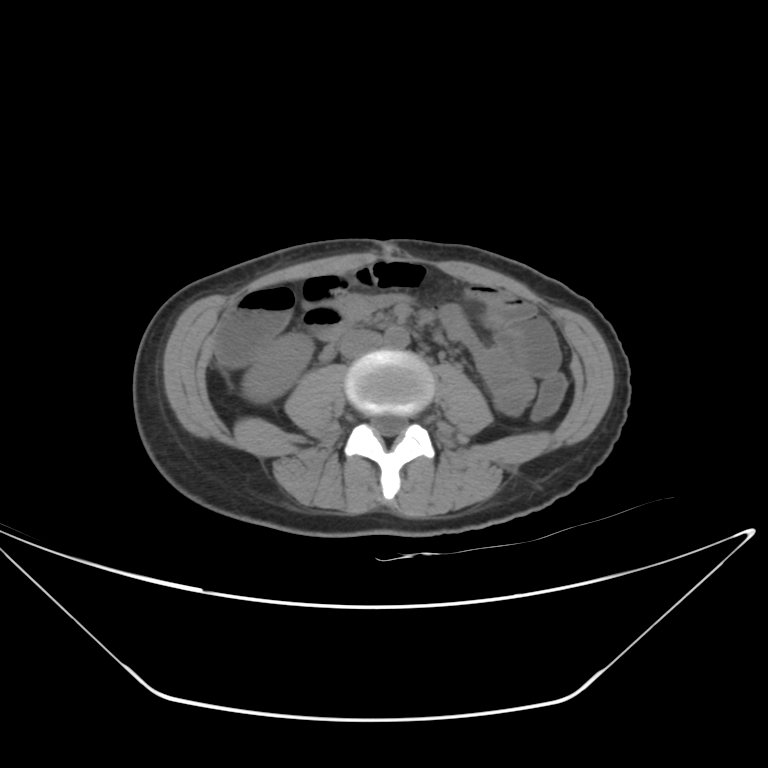 Abdominal CT · axial view
{"organs":{"right kidney":[242,333,313,402],"aorta":[384,327,409,349],"inferior vena cava":[340,330,382,358]}}